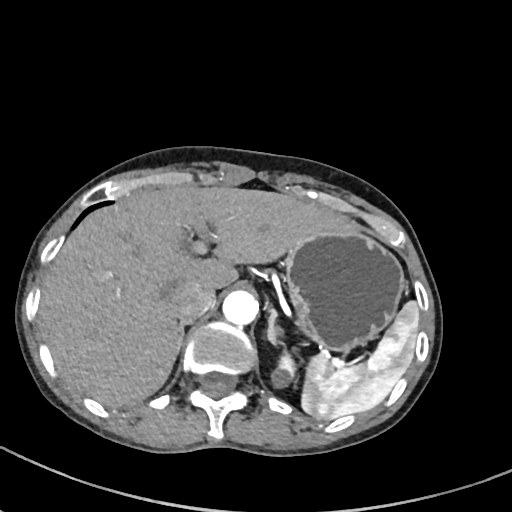
Abdominal CT — axial view — 512x512 px
Each box given as x1,y1,x2,y2. Labeled organs on this slice: spleen at x1=302, y1=302, x2=418, y2=419, left kidney at x1=271, y1=351, x2=296, y2=387, liver at x1=38, y1=184, x2=357, y2=407, stomach at x1=283, y1=232, x2=406, y2=348, aorta at x1=223, y1=290, x2=258, y2=324, inferior vena cava at x1=172, y1=282, x2=215, y2=320, right adrenal gland at x1=177, y1=320, x2=190, y2=354, left adrenal gland at x1=267, y1=308, x2=282, y2=344.